Computed tomography, abdomen — axial plane, index 45
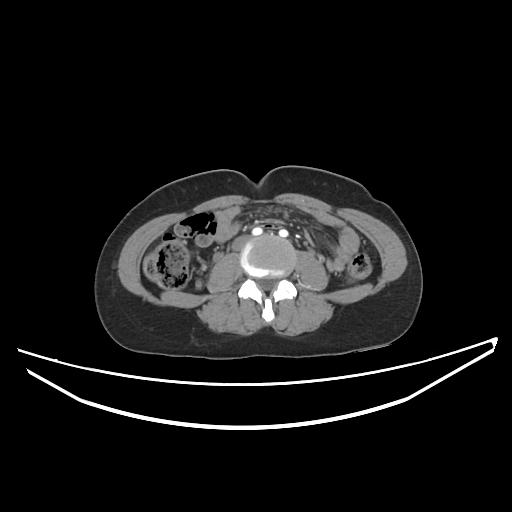
Organ boxes in pixel coordinates; each row gives the top-left (x1, y1) and bottom-right (x2, y2) corners.
| organ | x1 | y1 | x2 | y2 |
|---|---|---|---|---|
| inferior vena cava | 232 | 235 | 249 | 250 |